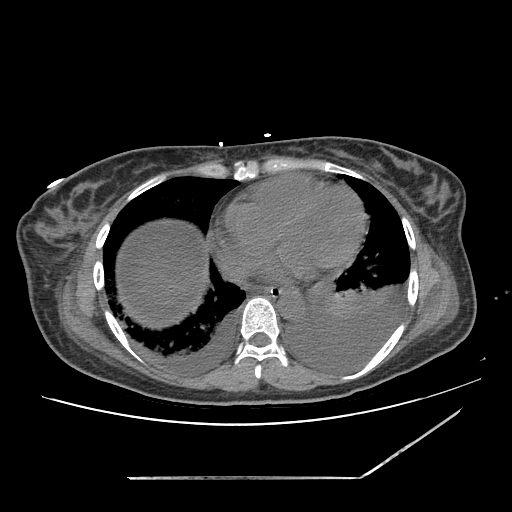

Abdominal CT · axial view · soft-tissue window · acquired on SOMATOM Force
Boxes: x1 y1 x2 y2 (pixel coords, space-separated).
Organ bounding boxes:
- liver: 130 239 192 308
- stomach: 279 289 293 306
- esophagus: 256 286 292 296
- aorta: 277 290 303 319